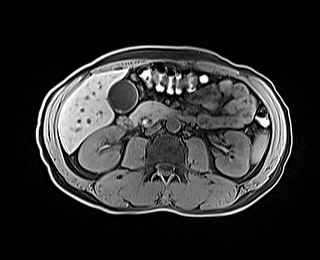
Abdominal MRI — axial view — percentile-normalized — 320x260 px
Bounding boxes as [x1, y1, x2, y2] in pixel coordinates. The annotated organs in this slice are: spleen at [252, 133, 268, 162], right kidney at [78, 126, 122, 172], left kidney at [215, 131, 249, 176], gall bladder at [107, 80, 137, 111], liver at [58, 68, 127, 153], aorta at [166, 118, 180, 132], inferior vena cava at [146, 124, 160, 133], pancreas at [129, 101, 168, 123], duodenum at [117, 108, 192, 129].